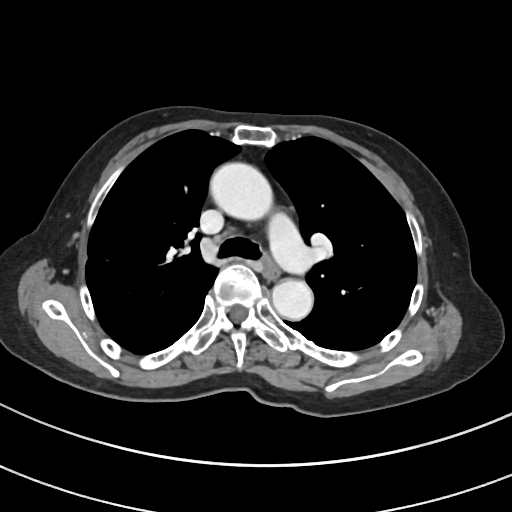
Chest-level slice from an abdominal CT that extends up into the chest — axial view — soft-tissue window, W/L 400/40 — 512x512 px — SOMATOM Force scanner
At this level of the chest no structure but the esophagus and the aorta has a label in this dataset, and those two are boxed only where they are labeled.
{"organs":{"aorta":[[209,162,270,219],[272,280,313,320]],"esophagus":[264,262,279,280]}}